Abdominal CT; axial view; abdomen soft-tissue window; 512x512 px; 81-year-old male patient
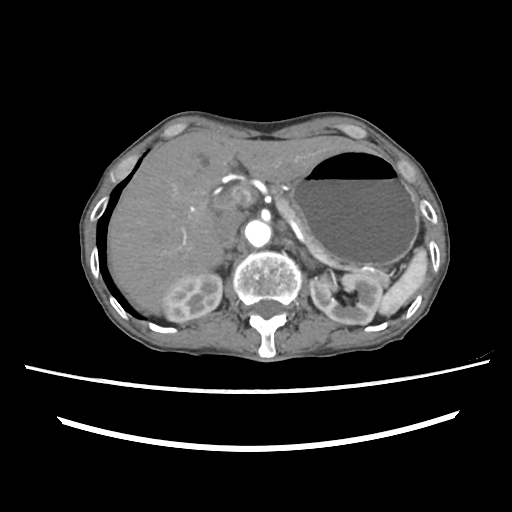 Boxes: x1:y1:x2:y2 in pixels. Labeled organs on this slice: spleen at 379:248:427:315, right kidney at 163:272:222:322, left kidney at 310:272:382:324, liver at 107:130:364:313, stomach at 289:149:419:265, aorta at 243:219:271:247, inferior vena cava at 216:211:242:248, pancreas at 273:188:389:287, right adrenal gland at 227:254:230:258.